CT, abdomen/pelvis; axial view; soft-tissue window (W 400 / L 40); scan has 15 labeled organs (a whole-scan count: organs this slice does not pass through have no box)
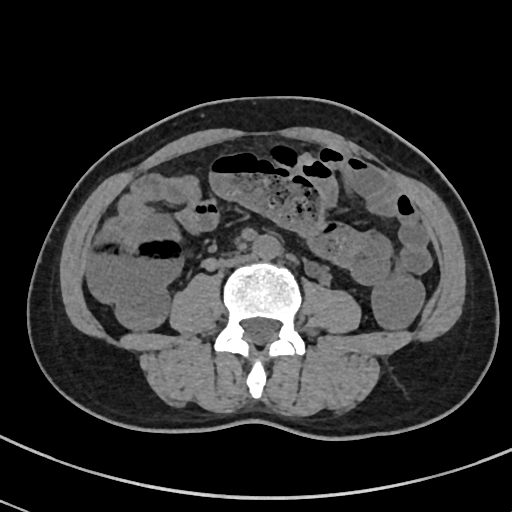
{"organs":{"aorta":[252,236,282,258],"inferior vena cava":[224,255,250,265]}}